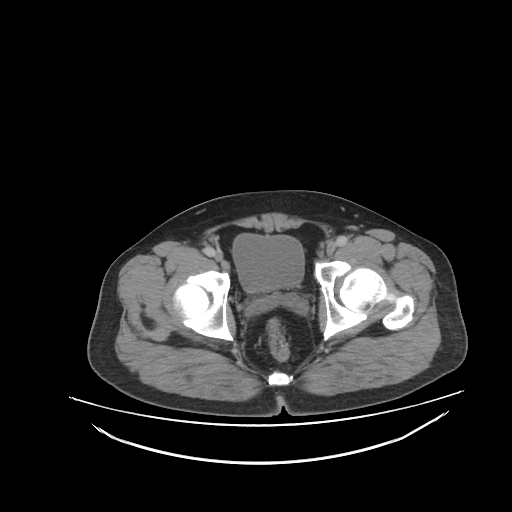
Computed tomography, abdomen. Axial slice 22/96. 45-year-old male patient
Boxes: x1 y1 x2 y2 (pixel coords, space-separated). 1 labeled organ on this slice — bladder at 232 233 305 292.